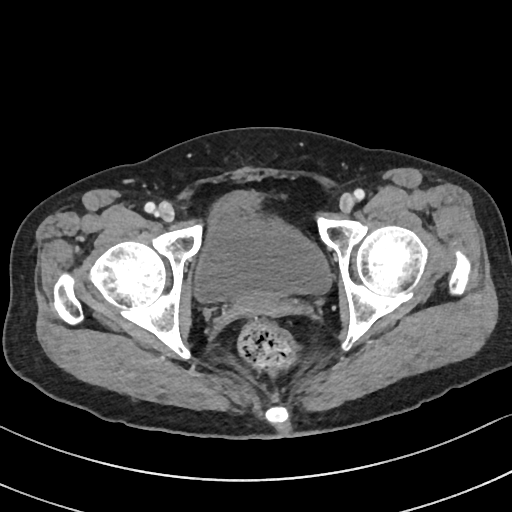

Computed tomography, abdomen · axial view · soft-tissue window (W 400 / L 40)
Each box given as x1,y1,x2,y2. The annotated organs in this slice are: bladder at x1=193, y1=192, x2=331, y2=302.